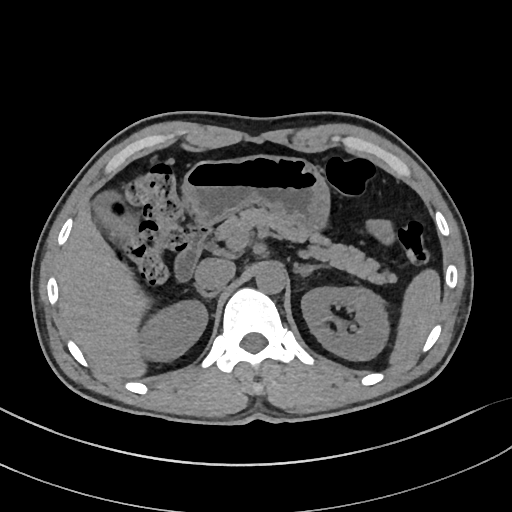 Abdominal CT · axial view · soft-tissue window (W 400 / L 40)
Each box given as x1,y1,x2,y2.
spleen: x1=387, y1=271, x2=441, y2=366
left adrenal gland: x1=294, y1=264, x2=329, y2=277
liver: x1=58, y1=203, x2=147, y2=378
right adrenal gland: x1=199, y1=291, x2=216, y2=297
duodenum: x1=176, y1=222, x2=212, y2=281
left kidney: x1=301, y1=287, x2=387, y2=360
pancreas: x1=217, y1=209, x2=397, y2=284
right kidney: x1=141, y1=302, x2=207, y2=360
aorta: x1=256, y1=263, x2=286, y2=294
stomach: x1=181, y1=156, x2=331, y2=232
inferior vena cava: x1=194, y1=259, x2=234, y2=293
gall bladder: x1=91, y1=189, x2=137, y2=243